Computed tomography, abdomen — axial view — W/L 400/40 HU
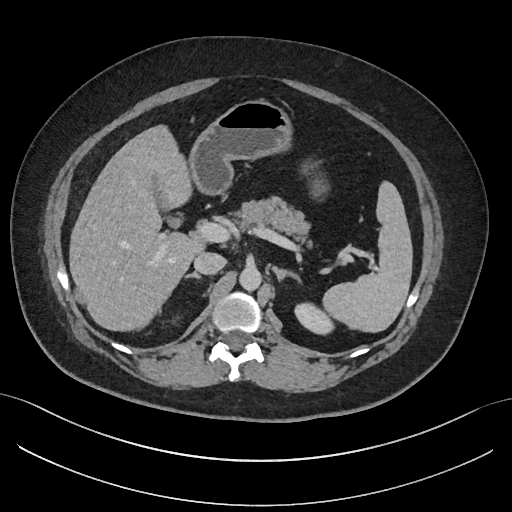

Box edges are left/top/right/bottom in pixels.
Organ bounding boxes:
- inferior vena cava: left=194, top=252, right=225, bottom=274
- liver: left=69, top=124, right=204, bottom=331
- left adrenal gland: left=272, top=266, right=301, bottom=283
- stomach: left=189, top=99, right=292, bottom=195
- pancreas: left=232, top=196, right=313, bottom=247
- right adrenal gland: left=185, top=272, right=200, bottom=278
- left kidney: left=294, top=302, right=334, bottom=334
- spleen: left=323, top=183, right=412, bottom=332
- aorta: left=239, top=266, right=261, bottom=291
- gall bladder: left=169, top=217, right=178, bottom=226